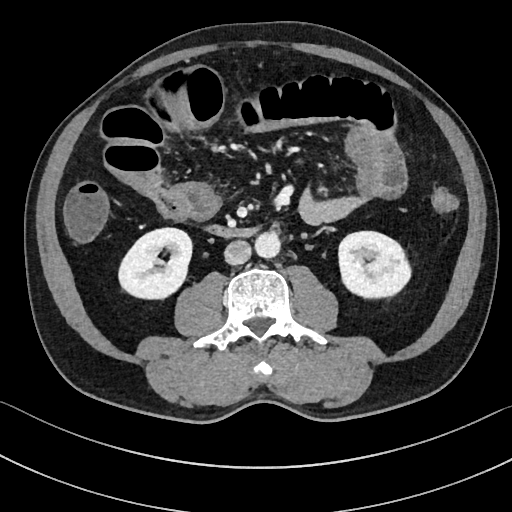 CT, abdomen/pelvis. axial view. soft-tissue window
<organs><organ name="right kidney" x1="119" y1="228" x2="191" y2="299"/><organ name="left kidney" x1="339" y1="231" x2="410" y2="297"/><organ name="aorta" x1="254" y1="232" x2="280" y2="257"/><organ name="inferior vena cava" x1="224" y1="240" x2="251" y2="264"/><organ name="duodenum" x1="206" y1="223" x2="257" y2="236"/></organs>